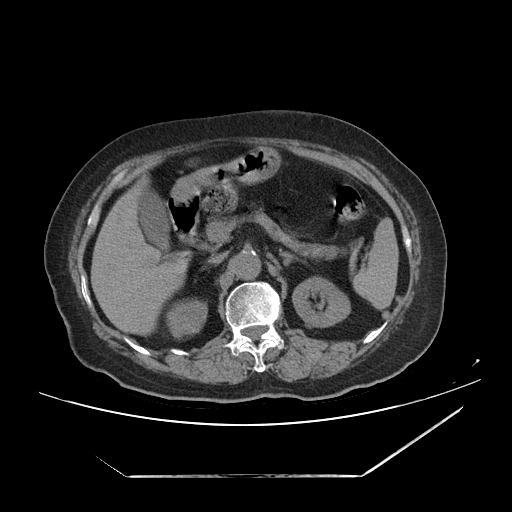
Computed tomography, abdomen · axial plane, index 118 · soft-tissue window (W 400 / L 40) · 512x512 px · acquired on SOMATOM Force · 15 organs annotated in this scan (a whole-scan count: organs this slice does not pass through have no box)
Boxes: x1 y1 x2 y2 (pixel coords, space-separated).
Organ bounding boxes:
- inferior vena cava: 207 253 225 263
- duodenum: 166 193 200 256
- aorta: 230 251 260 279
- left kidney: 292 276 350 327
- right kidney: 165 298 207 337
- liver: 90 175 188 335
- spleen: 351 217 398 309
- pancreas: 200 212 362 261
- gall bladder: 138 191 169 250
- left adrenal gland: 279 249 298 265
- stomach: 172 147 281 198